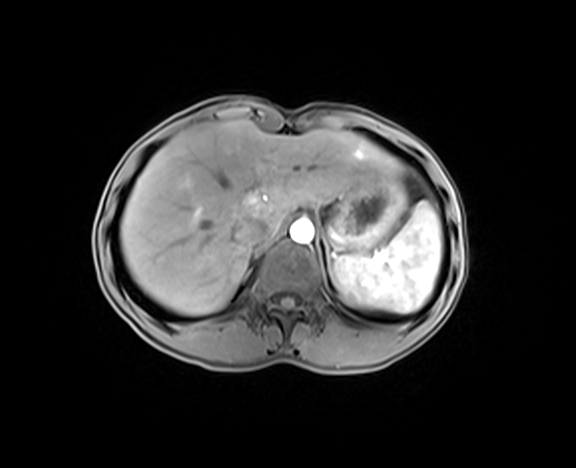
Abdominal MRI; axial view; percentile-normalized; scan has 13 labeled organs (a whole-scan count: organs this slice does not pass through have no box)
{"organs":{"inferior vena cava":[233,219,268,249],"liver":[120,120,402,315],"stomach":[333,175,407,251],"spleen":[335,201,441,313],"left adrenal gland":[321,236,329,267],"left kidney":[336,274,366,304],"aorta":[290,219,313,243]}}